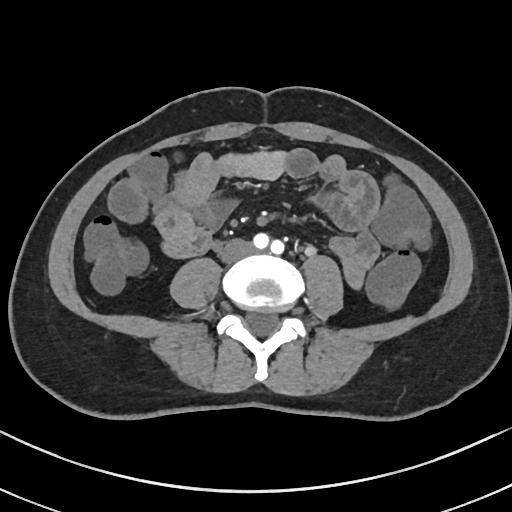
Computed tomography, abdomen — axial plane, index 125
Each box given as x1,y1,x2,y2. The annotated organs in this slice are: inferior vena cava at x1=221, y1=239, x2=254, y2=263.